CT abdomen — axial plane, index 77 — 512x512 px
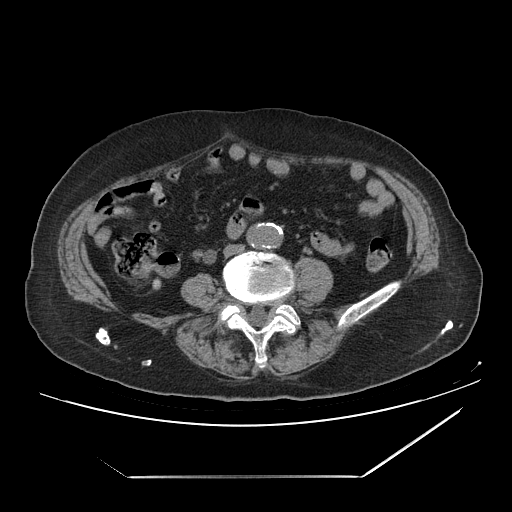 One row per box, in pixels: columns x1 and y1 give the top-left corner, x2 and y2 the bottom-right.
| organ | x1 | y1 | x2 | y2 |
|---|---|---|---|---|
| inferior vena cava | 224 | 245 | 243 | 255 |
| aorta | 246 | 222 | 279 | 247 |